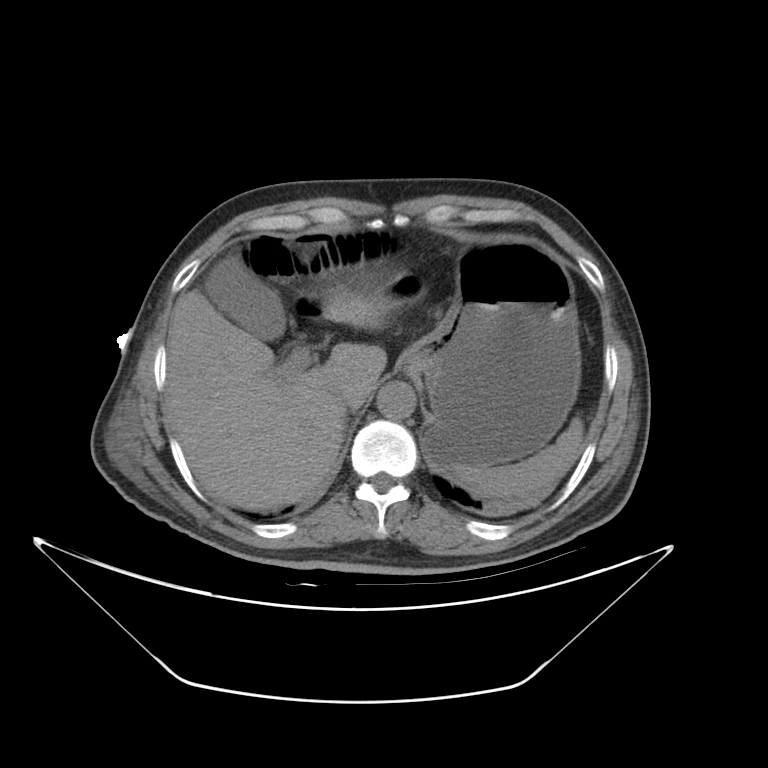

Abdominal CT · axial view
Bounding boxes as [x1, y1, x2, y2] in pixel coordinates.
Organ bounding boxes:
- stomach: [396, 241, 581, 470]
- liver: [165, 283, 388, 512]
- inferior vena cava: [329, 388, 355, 413]
- aorta: [378, 379, 416, 420]
- spleen: [449, 421, 581, 499]
- duodenum: [298, 295, 326, 316]
- gall bladder: [202, 255, 286, 339]